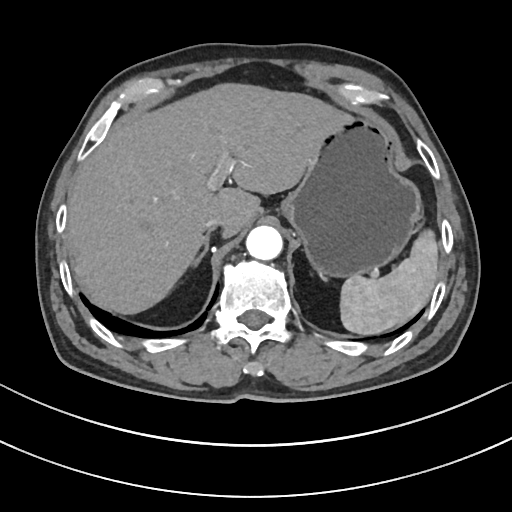 Abdominal CT; axial view; 512x512 px
<organs><organ name="liver" x1="67" y1="85" x2="340" y2="314"/><organ name="spleen" x1="339" y1="230" x2="439" y2="334"/><organ name="stomach" x1="277" y1="114" x2="421" y2="278"/><organ name="right adrenal gland" x1="195" y1="233" x2="209" y2="262"/><organ name="aorta" x1="246" y1="226" x2="282" y2="260"/><organ name="inferior vena cava" x1="203" y1="220" x2="223" y2="231"/></organs>